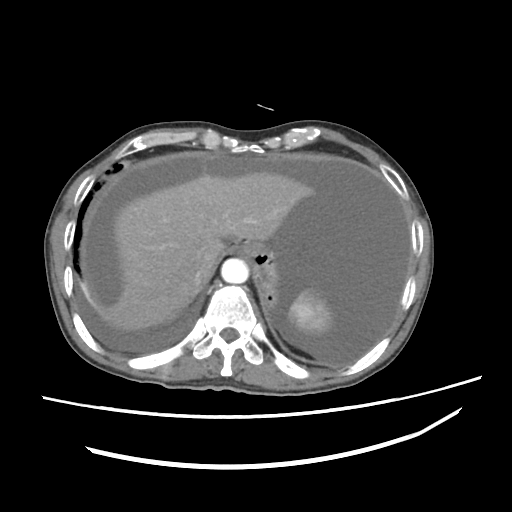
CT abdomen; Axial slice 89/103; 50-year-old male patient
{"organs":{"stomach":[250,243,279,305],"inferior vena cava":[191,269,204,283],"liver":[101,171,316,330],"spleen":[288,290,332,336],"aorta":[222,257,248,283],"esophagus":[235,244,251,256]}}